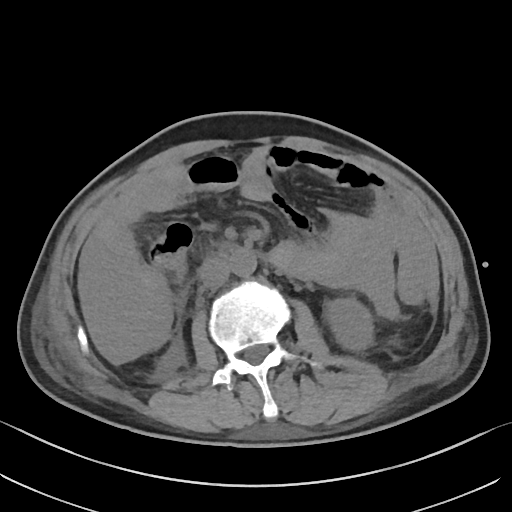
CT, abdomen/pelvis; Axial slice 53/100; soft-tissue window
{"organs":{"right kidney":[156,339,184,374],"left kidney":[324,298,373,351],"aorta":[229,250,256,276],"inferior vena cava":[198,258,229,289],"duodenum":[220,244,241,257]}}